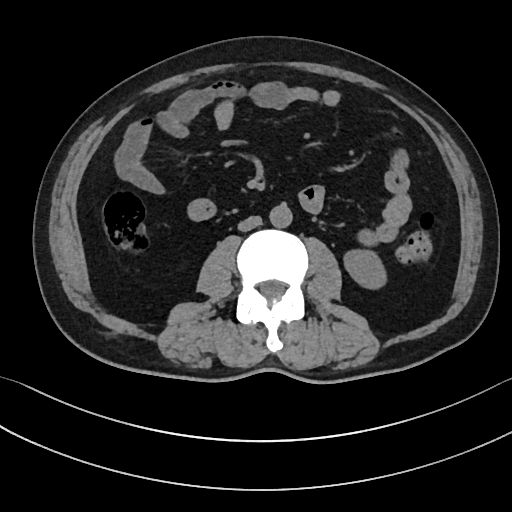

Computed tomography, abdomen; axial view; soft-tissue window (W 400 / L 40)
Bounding boxes as [x1, y1, x2, y2] in pixel coordinates.
Organ bounding boxes:
- left kidney: [344, 250, 386, 288]
- aorta: [269, 203, 292, 227]
- inferior vena cava: [238, 216, 261, 231]